CT, abdomen/pelvis; axial view
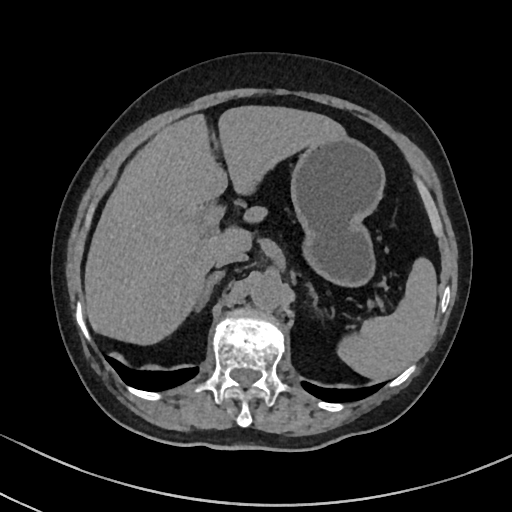
Bounding boxes as [x1, y1, x2, y2] in pixel coordinates. 7 labeled organs on this slice — liver at [84, 106, 347, 346]; aorta at [250, 276, 284, 311]; stomach at [290, 139, 385, 289]; spleen at [337, 257, 436, 379]; left adrenal gland at [306, 282, 320, 306]; right adrenal gland at [194, 272, 224, 313]; inferior vena cava at [215, 251, 245, 267].